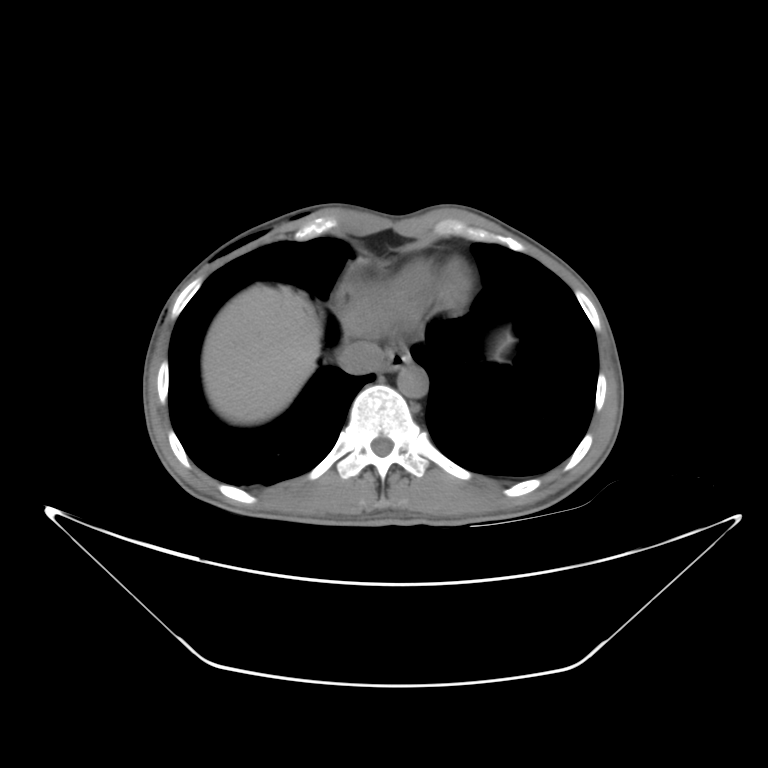
CT, abdomen/pelvis; axial view; abdomen soft-tissue window; 768x768 px; 33-year-old male patient; 15 organs annotated in this scan (that count is for the whole scan; organs this slice misses have no box)
Coordinates as <box>x1,y1,x2,y2</box> in pixels.
Organ bounding boxes:
- esophagus: <box>380,341,411,370</box>
- liver: <box>202,283,321,425</box>
- aorta: <box>397,361,426,397</box>
- inferior vena cava: <box>335,340,381,374</box>